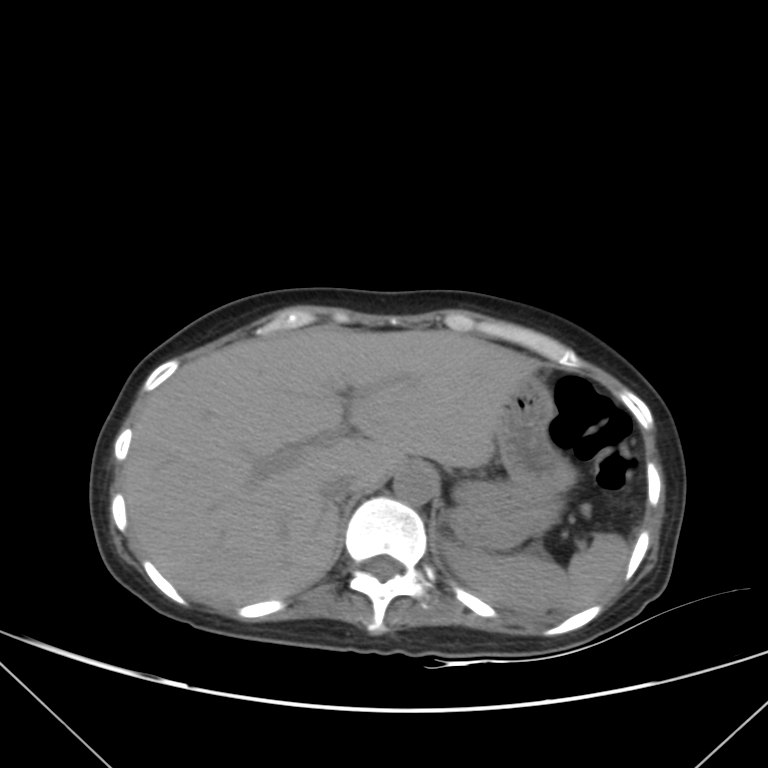
Abdominal CT — Axial slice 75/94 — 39-year-old female patient — Brilliance16 scanner
Coordinates as <box>x1,y1,x2,y2</box> in pixels.
spleen: <box>445,533,630,615</box>
liver: <box>122,326,537,605</box>
stomach: <box>450,376,578,549</box>
aorta: <box>394,464,435,505</box>
inferior vena cava: <box>320,474,356,501</box>